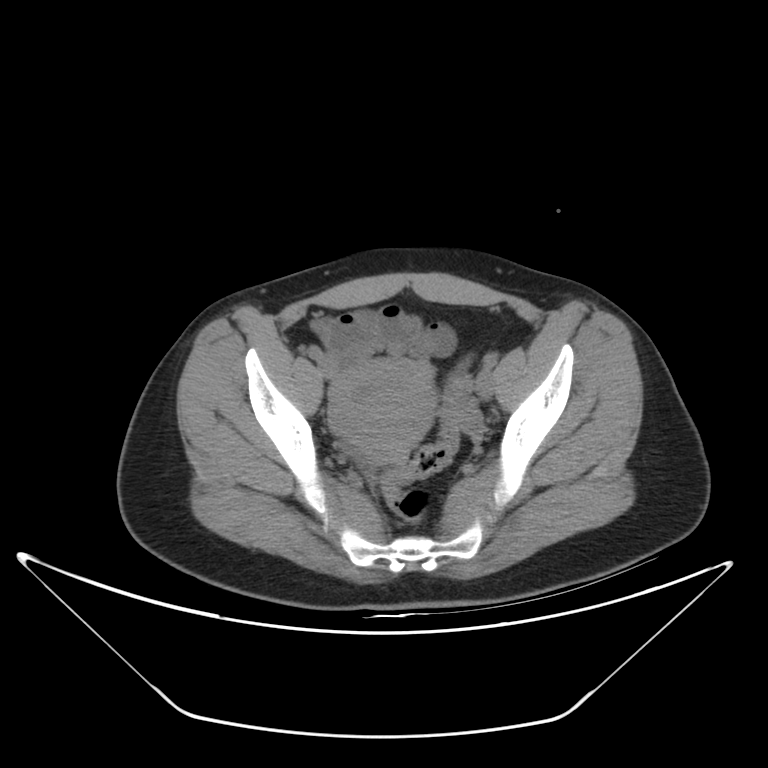

CT, abdomen/pelvis. Axial slice 28/105
One row per box, in pixels: columns x1 and y1 give the top-left corner, x2 and y2 the bottom-right.
| organ | x1 | y1 | x2 | y2 |
|---|---|---|---|---|
| prostate/uterus | 328 | 360 | 437 | 461 |